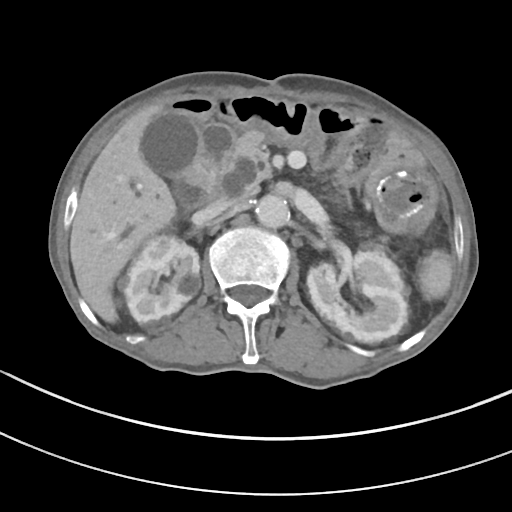

CT, abdomen/pelvis · axial plane, index 56 · abdomen soft-tissue window · 512x512 px · 15 organs annotated in this scan (that count is for the whole scan; organs this slice misses have no box)
Boxes: x1 y1 x2 y2 (pixel coords, space-separated). The annotated organs in this slice are: spleen at 418 250 452 299, right kidney at 116 235 200 322, left kidney at 307 251 408 342, gall bladder at 142 112 200 177, liver at 70 108 175 322, stomach at 182 115 437 236, aorta at 255 194 289 228, inferior vena cava at 207 198 239 216, pancreas at 220 129 387 252, duodenum at 177 122 248 208.